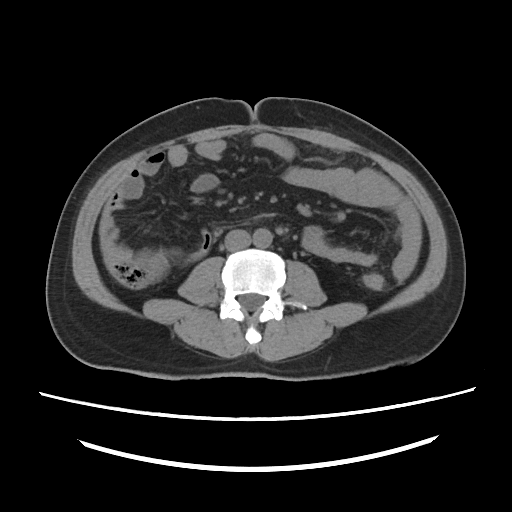

CT, abdomen/pelvis; axial view; soft-tissue window; scan has 14 labeled organs (that count is for the whole scan; organs this slice misses have no box)
One row per box, in pixels: columns x1 and y1 give the top-left corner, x2 and y2 the bottom-right.
| organ | x1 | y1 | x2 | y2 |
|---|---|---|---|---|
| aorta | 253 | 228 | 272 | 247 |
| inferior vena cava | 225 | 229 | 250 | 251 |